Abdominal CT — axial view
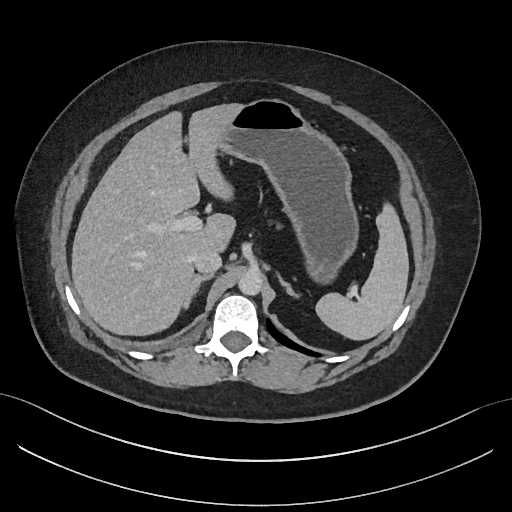

Organ boxes in pixel coordinates; each row gives the top-left (x1, y1) and bottom-right (x2, y2) corners.
| organ | x1 | y1 | x2 | y2 |
|---|---|---|---|---|
| right adrenal gland | 184 | 274 | 213 | 308 |
| liver | 71 | 103 | 243 | 335 |
| left adrenal gland | 277 | 274 | 299 | 297 |
| aorta | 238 | 270 | 262 | 295 |
| inferior vena cava | 193 | 249 | 221 | 274 |
| spleen | 316 | 202 | 408 | 340 |
| stomach | 218 | 99 | 358 | 284 |